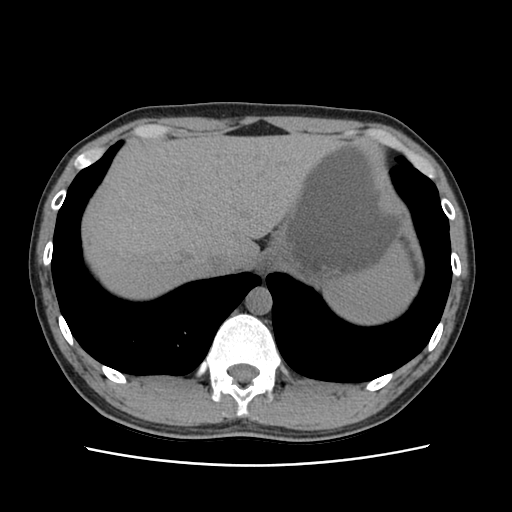

CT abdomen. axial view. W/L 400/40 HU. 512x512 px
{"organs":{"right kidney":[39,0,44,3],"liver":[84,133,343,299],"esophagus":[257,249,278,275],"aorta":[245,288,272,314],"inferior vena cava":[206,252,240,272],"spleen":[323,244,414,323],"stomach":[270,142,400,278]}}